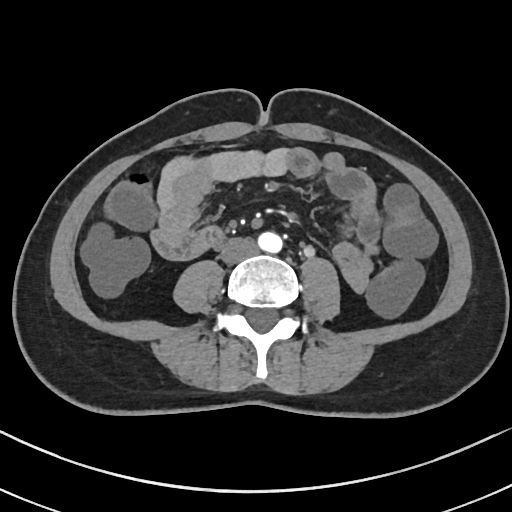
Abdominal CT. axial view. 512x512 px. SOMATOM Force scanner. 15 organs annotated in this scan (that count is for the whole scan; organs this slice misses have no box)
Boxes: x1 y1 x2 y2 (pixel coords, space-separated).
aorta: 257 232 282 253
inferior vena cava: 220 238 256 263
duodenum: 201 227 222 246